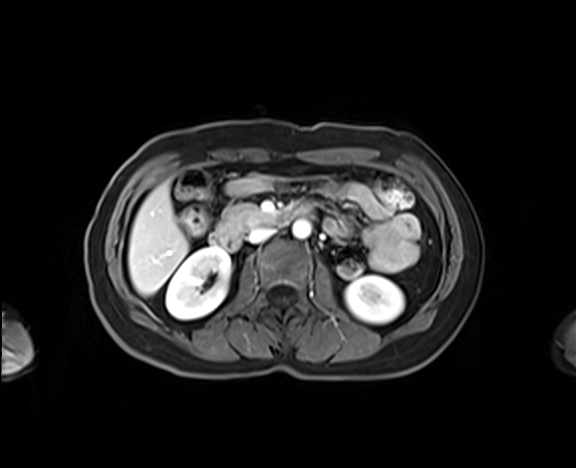
Magnetic resonance imaging, abdomen — axial plane, index 22 — 1st–99th percentile window
Each box given as x1,y1,x2,y2.
liver: x1=128, y1=183, x2=188, y2=295
inferior vena cava: x1=247, y1=227, x2=274, y2=242
duodenum: x1=210, y1=204, x2=312, y2=250
left kidney: x1=345, y1=275, x2=404, y2=323
aorta: x1=292, y1=219, x2=311, y2=238
pancreas: x1=219, y1=204, x2=271, y2=234
right kidney: x1=165, y1=247, x2=230, y2=319